CT, abdomen/pelvis; axial plane, index 65; 54-year-old female patient; Aquilion ONE scanner; scan has 15 labeled organs (that count is for the whole scan; organs this slice misses have no box)
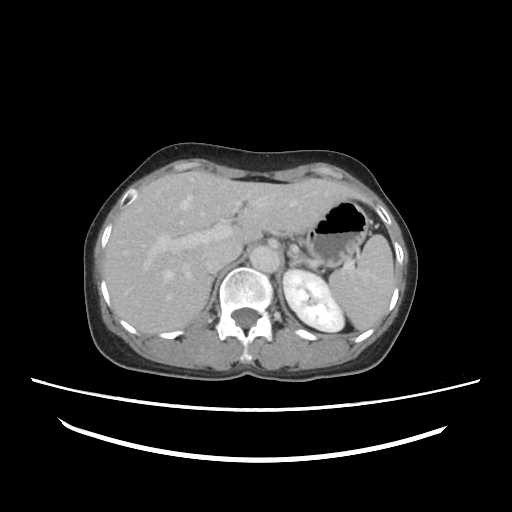 {"organs":{"left adrenal gland":[289,252,321,276],"liver":[103,169,363,335],"spleen":[328,234,394,331],"left kidney":[283,269,344,331],"inferior vena cava":[205,237,243,272],"aorta":[250,245,280,272],"right adrenal gland":[202,275,213,306],"stomach":[301,202,369,268]}}